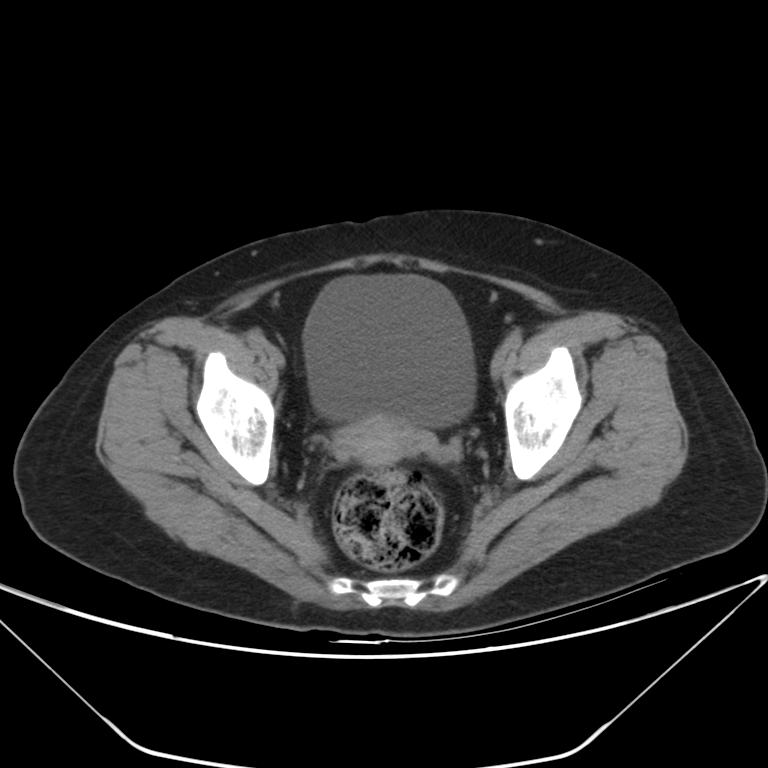
Abdominal CT · Axial slice 20/94 · 768x768 px
<organs><organ name="bladder" x1="303" y1="275" x2="475" y2="426"/><organ name="prostate/uterus" x1="333" y1="417" x2="420" y2="465"/></organs>